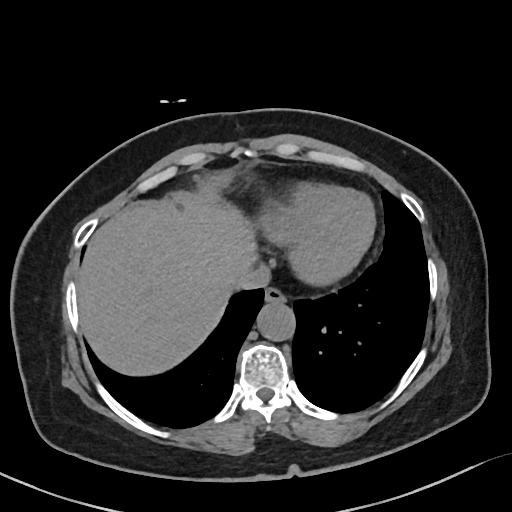 Abdominal CT. axial view. soft-tissue window (W 400 / L 40). acquired on SOMATOM Force. scan has 15 labeled organs (counted over the whole 3D scan, not this slice; an organ is boxed only where this slice passes through it)
Bounding boxes in pixels, one row per box: x1, y1 is the top-left corner and x2, y2 the bottom-right.
| organ | x1 | y1 | x2 | y2 |
|---|---|---|---|---|
| aorta | 257 | 302 | 296 | 341 |
| liver | 78 | 199 | 255 | 375 |
| inferior vena cava | 236 | 264 | 270 | 289 |
| esophagus | 264 | 288 | 284 | 303 |